CT abdomen — axial view — soft-tissue window (W 400 / L 40) — SOMATOM Force scanner
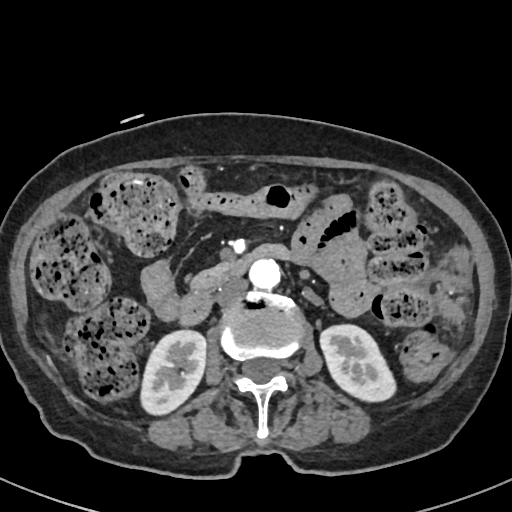 <organs><organ name="right kidney" x1="141" y1="331" x2="205" y2="416"/><organ name="left kidney" x1="321" y1="325" x2="394" y2="400"/><organ name="aorta" x1="249" y1="259" x2="280" y2="288"/><organ name="inferior vena cava" x1="215" y1="278" x2="247" y2="304"/><organ name="pancreas" x1="194" y1="268" x2="215" y2="284"/><organ name="duodenum" x1="180" y1="244" x2="288" y2="324"/></organs>